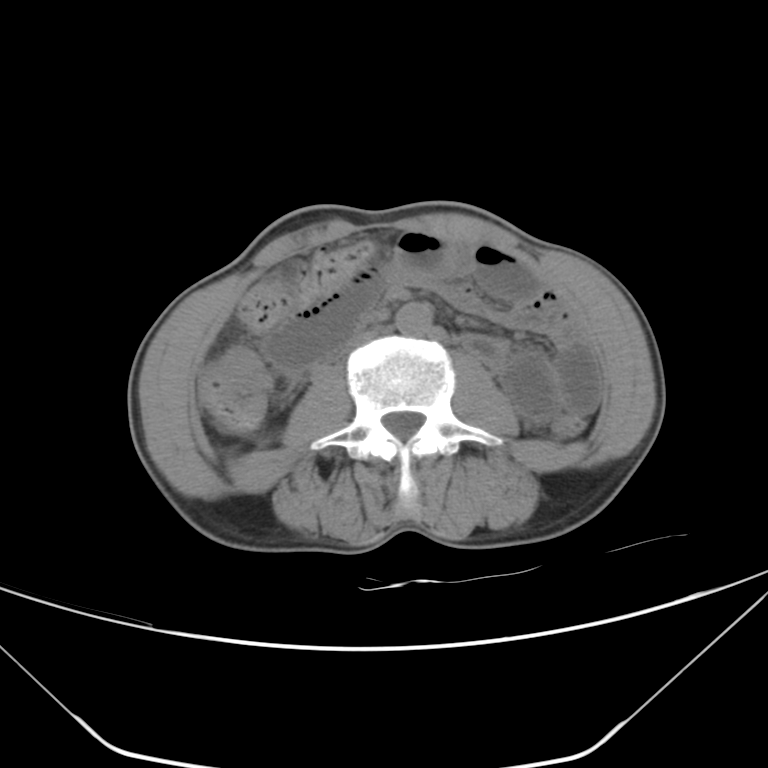

CT abdomen — axial view — soft-tissue window — 768x768 px
{"organs":{"aorta":[396,302,432,336],"inferior vena cava":[337,329,381,356]}}